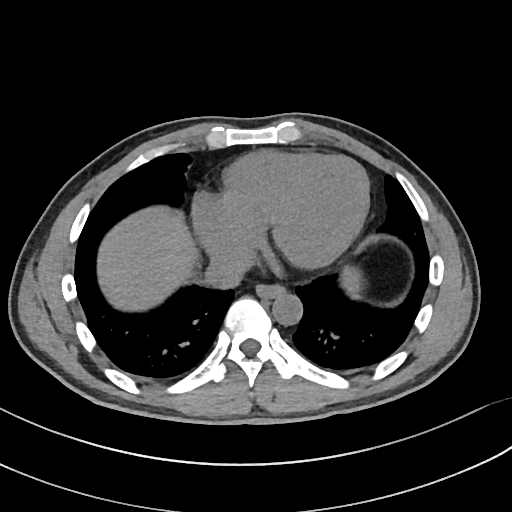 Abdominal CT. axial view. W/L 400/40 HU. acquired on SOMATOM Force
{"organs":{"esophagus":[255,286,285,299],"liver":[98,208,361,310],"aorta":[272,292,302,325],"inferior vena cava":[209,250,250,285]}}